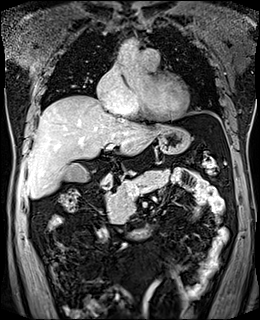
MRI, abdomen. Coronal slice 85/144. percentile-normalized. 260x320 px
One row per box, in pixels: columns x1 and y1 give the top-left corner, x2 and y2 the bottom-right.
| organ | x1 | y1 | x2 | y2 |
|---|---|---|---|---|
| gall bladder | 62 | 163 | 90 | 182 |
| liver | 26 | 95 | 167 | 198 |
| stomach | 101 | 126 | 191 | 184 |
| aorta | 119 | 41 | 140 | 48 |
| pancreas | 106 | 169 | 169 | 224 |
| duodenum | 102 | 181 | 148 | 241 |